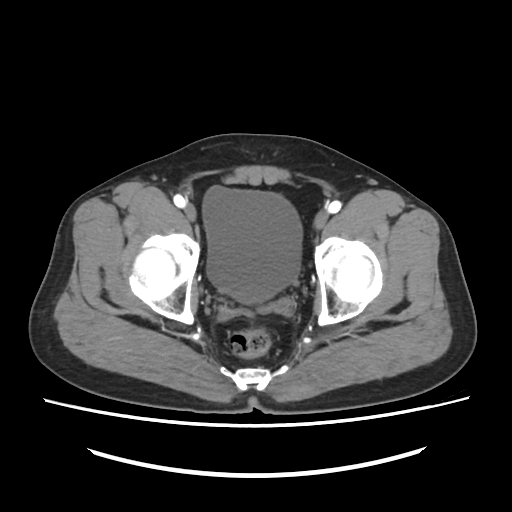 CT, abdomen/pelvis; axial view; 15 organs annotated in this scan (a whole-scan count: organs this slice does not pass through have no box)
{"organs":{"bladder":[202,186,302,302]}}